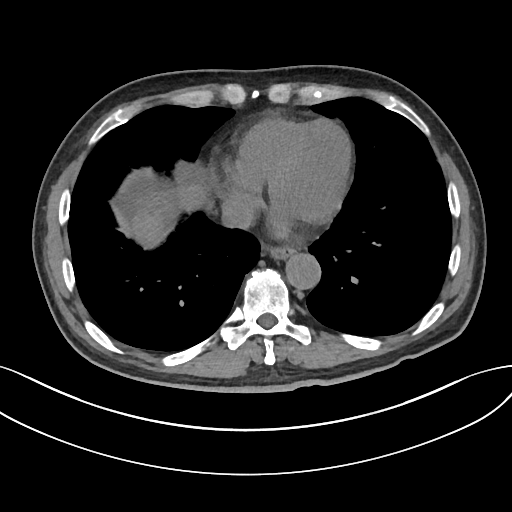
Abdominal CT; Axial slice 205/213; scan has 15 labeled organs (a whole-scan count: organs this slice does not pass through have no box)
<organs><organ name="esophagus" x1="272" y1="247" x2="295" y2="259"/><organ name="liver" x1="133" y1="182" x2="206" y2="248"/><organ name="aorta" x1="285" y1="253" x2="320" y2="288"/><organ name="inferior vena cava" x1="221" y1="196" x2="254" y2="229"/></organs>